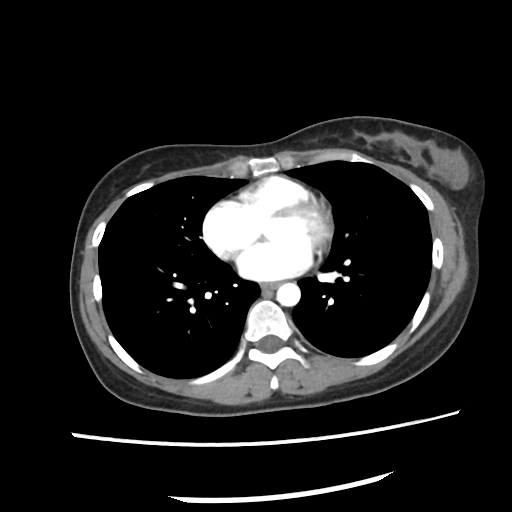
Lower-chest slice from an abdominal CT, just above the liver and spleen; axial plane, index 91; soft-tissue window; 512x512 px
The heart and lungs are never labeled in this dataset, so they have no box on this slice.
<organs><organ name="esophagus" x1="263" y1="281" x2="281" y2="290"/><organ name="aorta" x1="277" y1="282" x2="300" y2="306"/></organs>